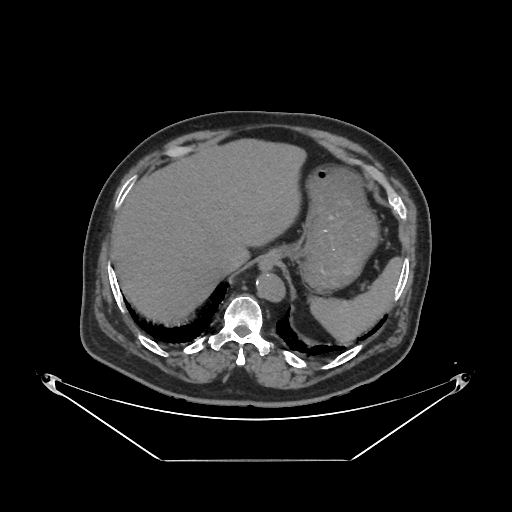

Computed tomography, abdomen. axial view. 512x512 px. scan has 15 labeled organs (that count is for the whole scan; organs this slice misses have no box)
<organs><organ name="spleen" x1="310" y1="256" x2="402" y2="341"/><organ name="esophagus" x1="259" y1="258" x2="271" y2="269"/><organ name="liver" x1="111" y1="138" x2="304" y2="322"/><organ name="stomach" x1="261" y1="167" x2="378" y2="292"/><organ name="aorta" x1="255" y1="272" x2="284" y2="300"/><organ name="inferior vena cava" x1="218" y1="256" x2="239" y2="273"/></organs>